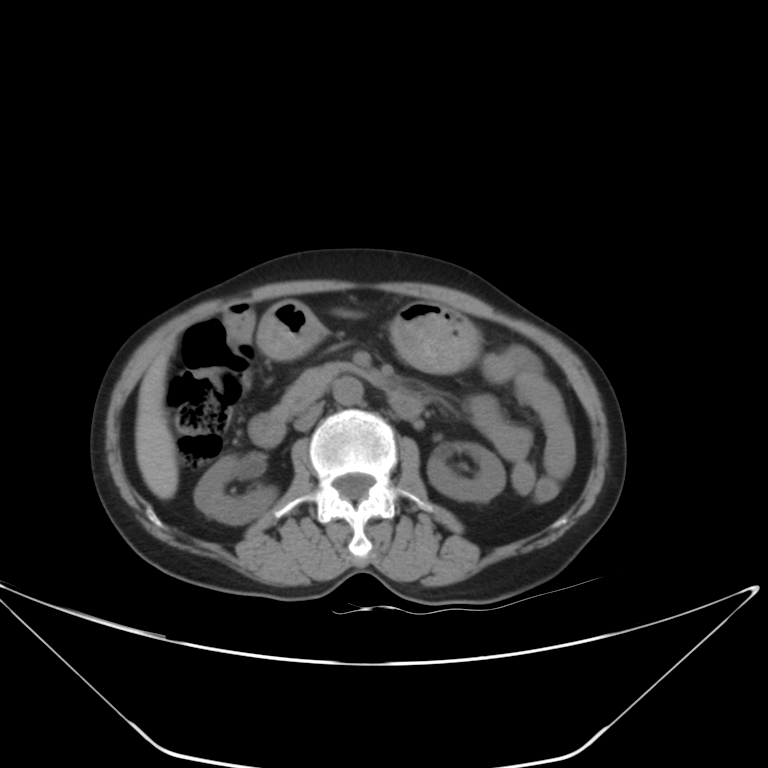

Abdominal CT. Axial slice 55/85. soft-tissue window. Brilliance16 scanner
Coordinates as <box>x1,y1,x2,y2</box> in pixels.
Organ bounding boxes:
- right kidney: <box>194,455,276,524</box>
- left kidney: <box>427,443,505,502</box>
- liver: <box>136,312,349,499</box>
- stomach: <box>255,299,480,372</box>
- aorta: <box>332,377,362,406</box>
- inferior vena cava: <box>294,402,323,430</box>
- pancreas: <box>283,363,375,401</box>
- duodenum: <box>249,373,423,446</box>